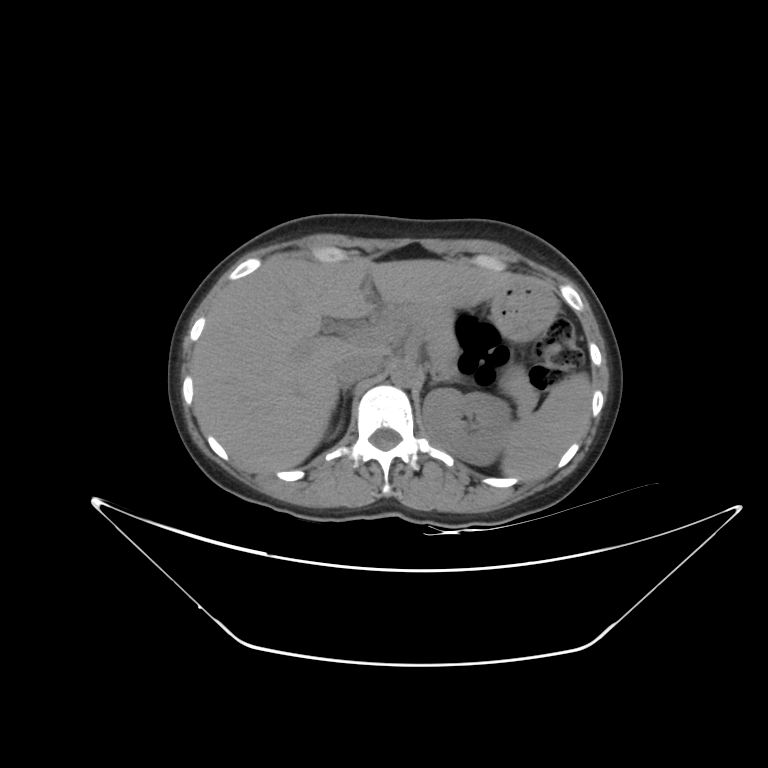
Computed tomography, abdomen; axial plane, index 70; abdomen soft-tissue window
Boxes: x1:y1:x2:y2 in pixels. 9 labeled organs on this slice — left adrenal gland at 430:370:447:385; inferior vena cava at 336:353:384:384; stomach at 491:280:557:341; liver at 192:257:512:473; pancreas at 377:302:537:413; aorta at 389:359:420:387; right adrenal gland at 332:383:350:410; spleen at 501:372:591:480; left kidney at 422:388:509:465.